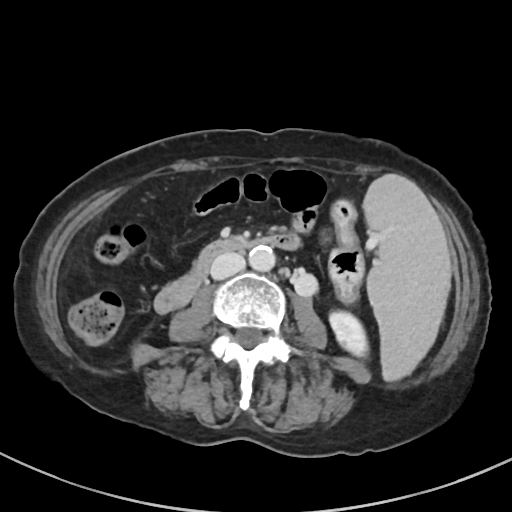
CT, abdomen/pelvis. Axial slice 45/78. 15 organs annotated in this scan (that count is for the whole scan; organs this slice misses have no box)
Box edges are left/top/right/bottom in pixels. 5 labeled organs on this slice — aorta at left=249, top=246, right=275, bottom=271; left kidney at left=329, top=311, right=368, bottom=356; spleen at left=363, top=174, right=450, bottom=380; inferior vena cava at left=210, top=253, right=245, bottom=279; duodenum at left=155, top=234, right=298, bottom=313.